CT, abdomen/pelvis — axial view — 512x512 px
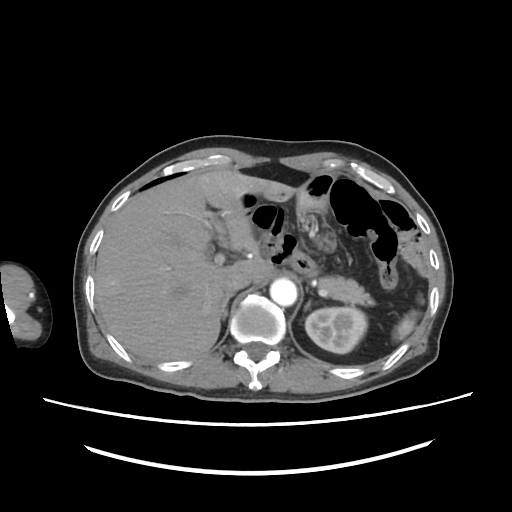
<organs><organ name="pancreas" x1="315" y1="277" x2="377" y2="307"/><organ name="aorta" x1="271" y1="279" x2="297" y2="305"/><organ name="left adrenal gland" x1="303" y1="300" x2="310" y2="313"/><organ name="liver" x1="94" y1="172" x2="276" y2="361"/><organ name="inferior vena cava" x1="224" y1="269" x2="251" y2="292"/><organ name="right adrenal gland" x1="222" y1="293" x2="234" y2="320"/><organ name="spleen" x1="391" y1="310" x2="418" y2="341"/><organ name="left kidney" x1="304" y1="306" x2="366" y2="354"/></organs>